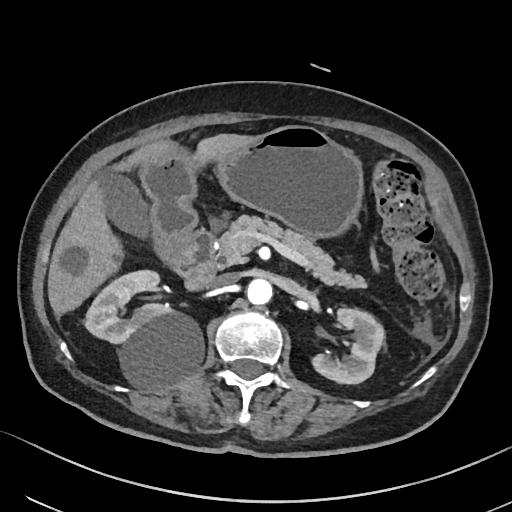 CT abdomen — axial view — 512x512 px
<organs><organ name="gall bladder" x1="91" y1="171" x2="146" y2="234"/><organ name="liver" x1="47" y1="134" x2="249" y2="314"/><organ name="duodenum" x1="170" y1="230" x2="215" y2="292"/><organ name="right kidney" x1="85" y1="269" x2="203" y2="387"/><organ name="aorta" x1="247" y1="278" x2="273" y2="305"/><organ name="left kidney" x1="314" y1="306" x2="384" y2="383"/><organ name="stomach" x1="139" y1="125" x2="361" y2="267"/><organ name="inferior vena cava" x1="211" y1="273" x2="238" y2="288"/><organ name="pancreas" x1="214" y1="215" x2="366" y2="287"/></organs>